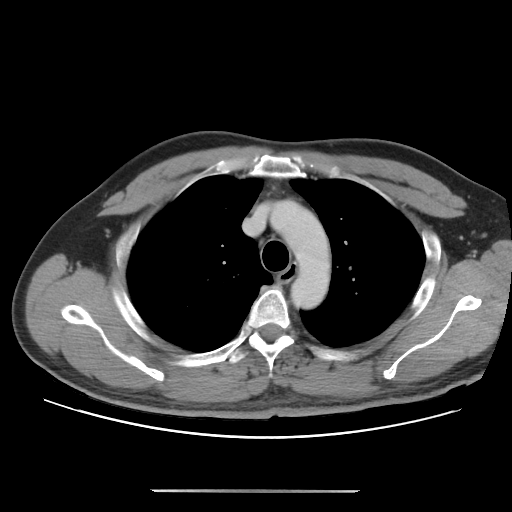
Chest-level slice from an abdominal CT that extends up into the chest. Axial slice 118/131. soft-tissue window (W 400 / L 40). 512x512 px
On a slice this high in the chest, this dataset labels only the esophagus and the aorta, and each is boxed only where it is labeled; the heart, lungs and other chest structures are not labeled.
One row per box, in pixels: columns x1 and y1 give the top-left corner, x2 and y2 the bottom-right.
| organ | x1 | y1 | x2 | y2 |
|---|---|---|---|---|
| esophagus | 278 | 267 | 294 | 282 |
| aorta | 270 | 200 | 330 | 309 |